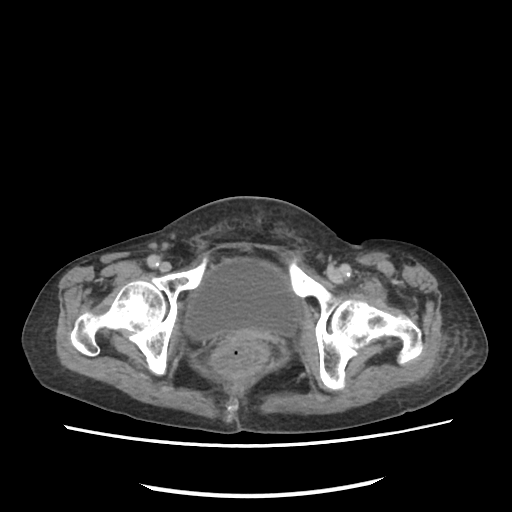 CT abdomen — axial view — 14 organs annotated in this scan (counted over the whole 3D scan, not this slice; an organ is boxed only where this slice passes through it)
Boxes: x1 y1 x2 y2 (pixel coords, space-separated).
bladder: 185 258 300 339